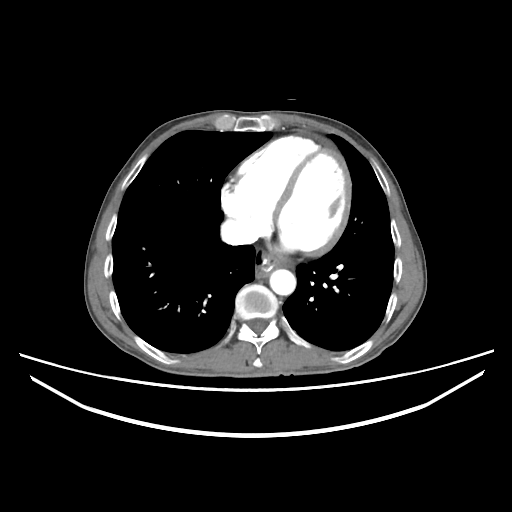 Abdominal CT; this slice is in the lower chest, just above the liver — axial view — 512x512 px
Of the structures in the chest, this dataset labels only the esophagus, the aorta and the inferior vena cava; the heart and lungs have no label. Boxes: x1 y1 x2 y2 (pixel coords, space-separated). 2 labeled organs on this slice — aorta at 269 269 295 295; inferior vena cava at 221 220 254 244.